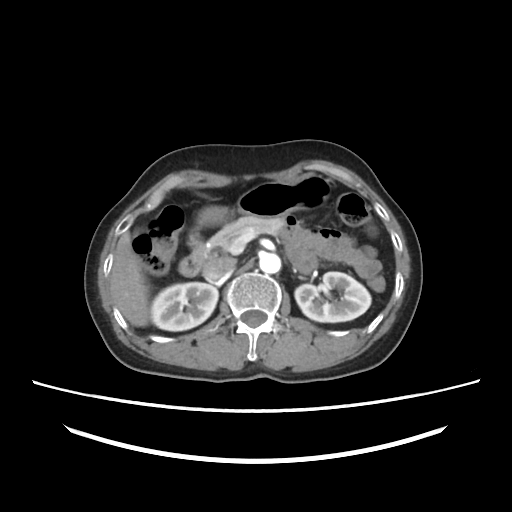 Abdominal CT. axial view. 62-year-old female patient. Aquilion ONE scanner
{"organs":{"liver":[109,232,149,326],"stomach":[196,175,331,226],"pancreas":[209,216,283,250],"left kidney":[294,272,371,322],"aorta":[259,253,280,273],"right kidney":[151,282,218,331],"duodenum":[179,231,207,276],"inferior vena cava":[203,255,235,279],"left adrenal gland":[298,275,305,280]}}